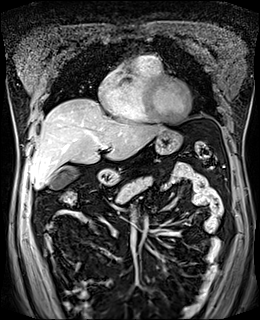 Abdominal MRI. coronal acquisition
<organs><organ name="stomach" x1="96" y1="129" x2="182" y2="185"/><organ name="pancreas" x1="116" y1="176" x2="152" y2="203"/><organ name="gall bladder" x1="49" y1="166" x2="77" y2="189"/><organ name="liver" x1="29" y1="98" x2="166" y2="188"/></organs>